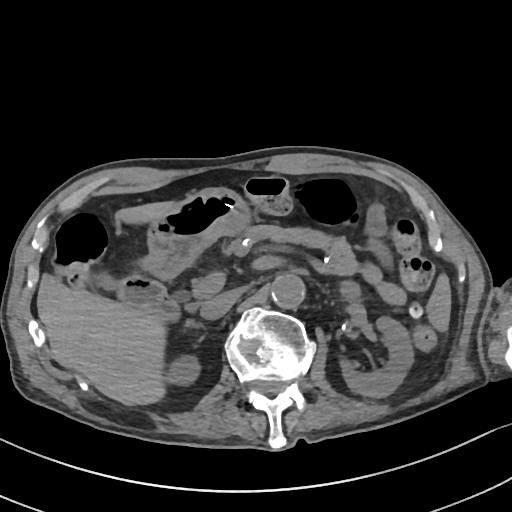 CT, abdomen/pelvis · axial view · soft-tissue window (W 400 / L 40) · 512x512 px · scan has 15 labeled organs (counted over the whole 3D scan, not this slice; an organ is boxed only where this slice passes through it)
{"organs":{"aorta":[271,273,305,308],"left kidney":[340,316,413,397],"spleen":[427,276,450,332],"right kidney":[166,354,200,385],"right adrenal gland":[186,320,194,327],"stomach":[139,187,251,278],"inferior vena cava":[200,291,236,319],"pancreas":[195,225,359,286],"duodenum":[120,276,179,321],"gall bladder":[97,274,118,289],"liver":[37,201,174,405]}}